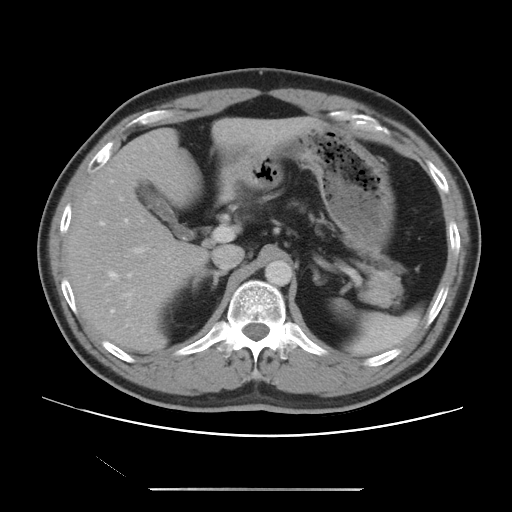
Computed tomography, abdomen · axial view · soft-tissue window · 15 organs annotated in this scan (counted over the whole 3D scan, not this slice; an organ is boxed only where this slice passes through it)
Bounding boxes as [x1, y1, x2, y2] in pixel coordinates.
spleen: [333, 298, 421, 356]
gall bladder: [136, 183, 193, 239]
liver: [65, 116, 322, 353]
stomach: [220, 123, 393, 255]
aorta: [265, 260, 292, 285]
inferior vena cava: [211, 244, 244, 270]
pancreas: [358, 254, 403, 307]
right adrenal gland: [192, 270, 226, 290]
left adrenal gland: [313, 268, 324, 284]